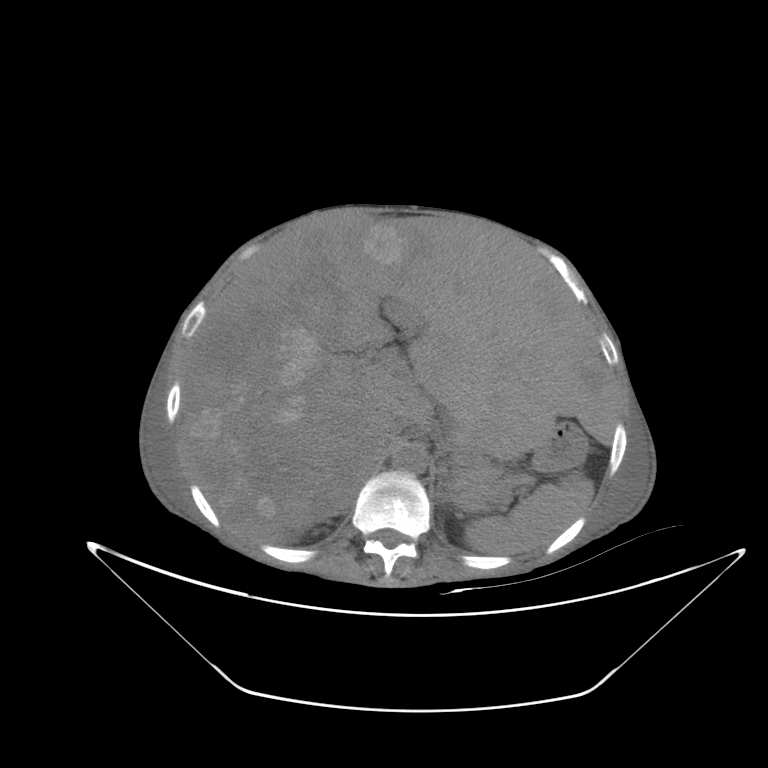 Abdominal CT; axial view; abdomen soft-tissue window; 56-year-old male patient
<organs><organ name="spleen" x1="464" y1="474" x2="593" y2="553"/><organ name="liver" x1="181" y1="208" x2="613" y2="540"/><organ name="stomach" x1="536" y1="426" x2="585" y2="470"/><organ name="aorta" x1="392" y1="444" x2="427" y2="473"/><organ name="inferior vena cava" x1="372" y1="417" x2="405" y2="452"/><organ name="pancreas" x1="448" y1="466" x2="501" y2="510"/><organ name="left adrenal gland" x1="436" y1="474" x2="441" y2="494"/></organs>